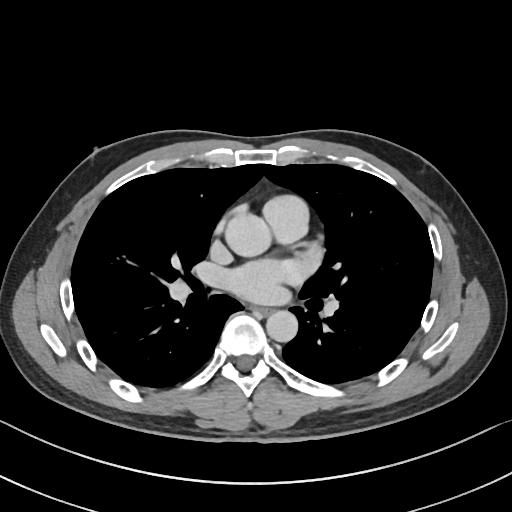 Chest-level slice from an abdominal CT that extends up into the chest; axial plane, index 220; 512x512 px
On a slice this high in the chest, this dataset labels only the esophagus and the aorta, and each is boxed only where it is labeled; the heart, lungs and other chest structures are not labeled.
<organs><organ name="esophagus" x1="253" y1="307" x2="272" y2="315"/><organ name="aorta" x1="226" y1="214" x2="273" y2="256"/><organ name="aorta" x1="266" y1="310" x2="298" y2="341"/></organs>